CT, abdomen/pelvis; Axial slice 50/85; scan has 15 labeled organs (a whole-scan count: organs this slice does not pass through have no box)
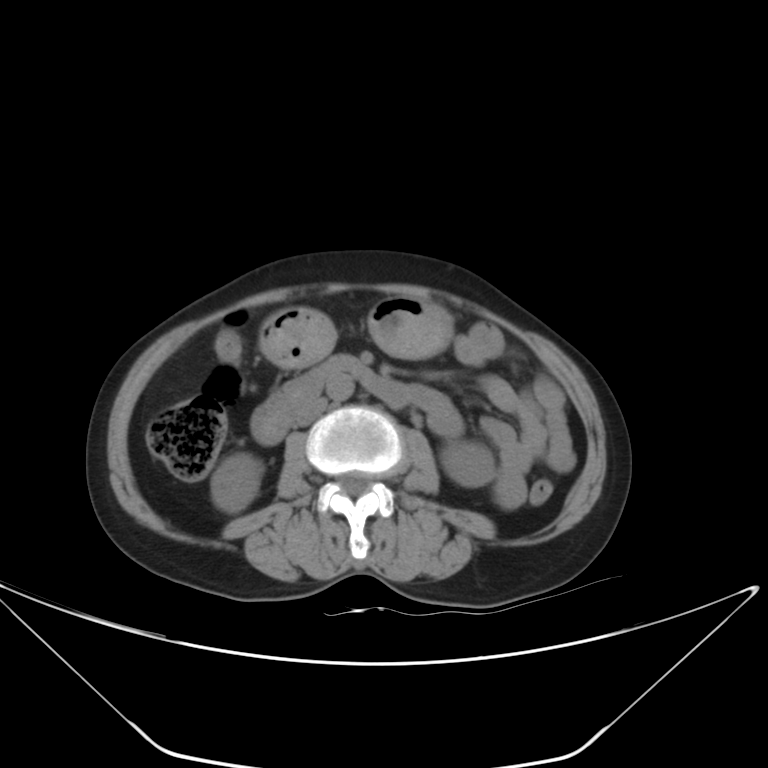

<organs><organ name="stomach" x1="260" y1="294" x2="451" y2="365"/><organ name="duodenum" x1="252" y1="354" x2="411" y2="443"/><organ name="left kidney" x1="440" y1="442" x2="494" y2="487"/><organ name="aorta" x1="326" y1="375" x2="353" y2="400"/><organ name="right kidney" x1="211" y1="453" x2="263" y2="512"/><organ name="inferior vena cava" x1="296" y1="396" x2="327" y2="426"/></organs>